CT, abdomen/pelvis — axial plane, index 67 — 512x512 px — 46-year-old male patient — acquired on Aquilion ONE
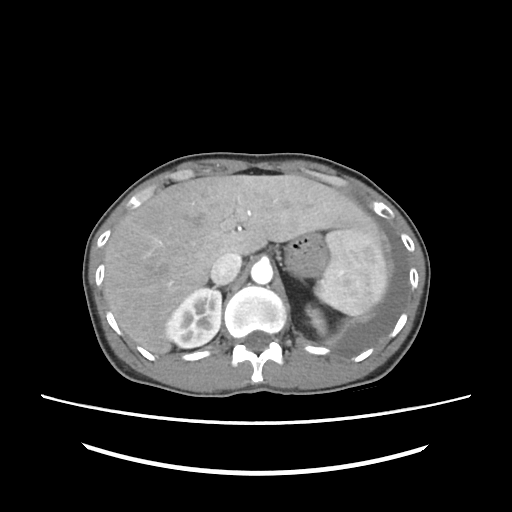

<organs><organ name="spleen" x1="314" y1="229" x2="387" y2="316"/><organ name="stomach" x1="286" y1="232" x2="328" y2="276"/><organ name="aorta" x1="251" y1="260" x2="273" y2="284"/><organ name="left kidney" x1="306" y1="306" x2="326" y2="332"/><organ name="liver" x1="104" y1="174" x2="378" y2="354"/><organ name="right kidney" x1="166" y1="288" x2="221" y2="348"/><organ name="inferior vena cava" x1="210" y1="252" x2="241" y2="284"/></organs>